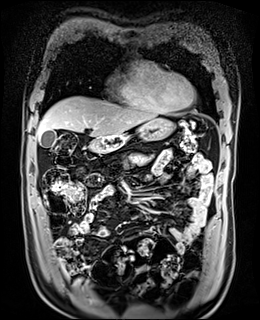
Abdominal MR; coronal view; 1st–99th percentile window
Boxes: x1:y1:x2:y2 in pixels.
Organ bounding boxes:
- gall bladder: 40:130:57:147
- liver: 36:96:156:139
- pancreas: 123:153:152:167
- stomach: 101:118:174:142
- duodenum: 88:138:123:153